CT, abdomen/pelvis; axial view; 768x768 px; 56-year-old male patient; 14 organs annotated in this scan (that count is for the whole scan; organs this slice misses have no box)
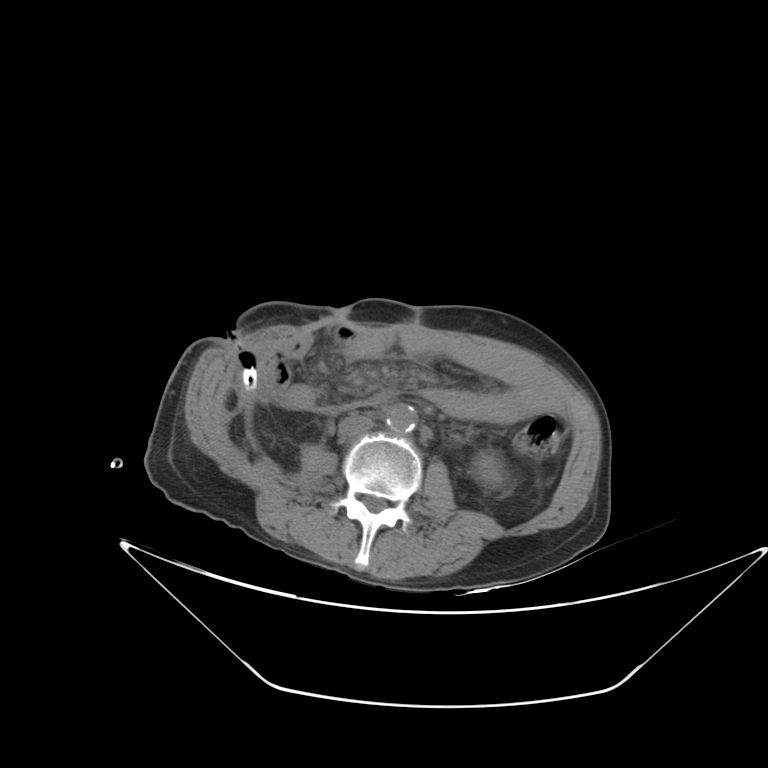
Boxes: x1 y1 x2 y2 (pixel coords, space-separated).
Organ bounding boxes:
- left kidney: 479 457 500 483
- aorta: 385 403 416 433
- inferior vena cava: 338 414 373 437